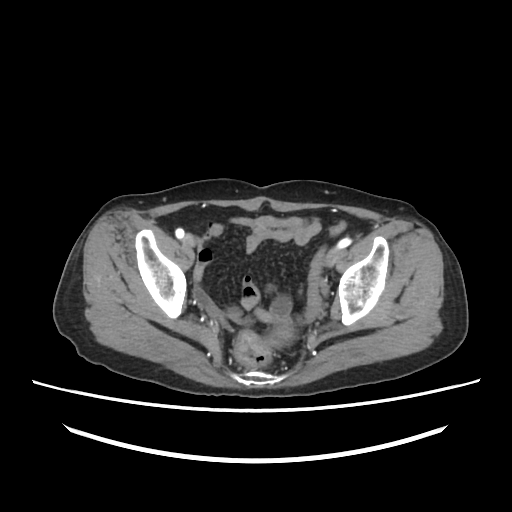 CT abdomen. axial view. 62-year-old female patient
<organs><organ name="prostate/uterus" x1="272" y1="322" x2="293" y2="342"/></organs>